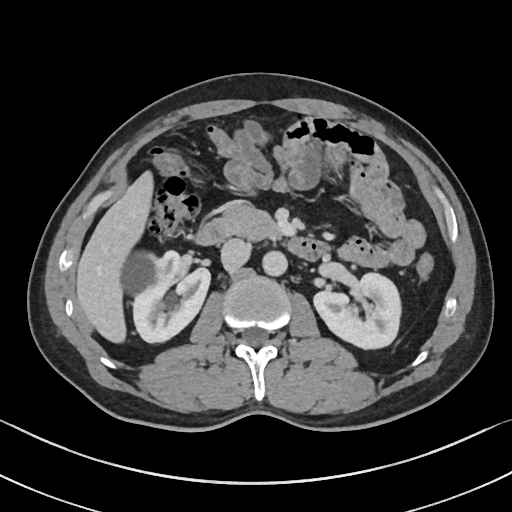
Abdominal CT · axial view · 512x512 px · scan has 15 labeled organs (counted over the whole 3D scan, not this slice; an organ is boxed only where this slice passes through it)
Boxes are (x1, y1, x2, y2) in pixels.
Organ bounding boxes:
- right kidney: (122, 250, 210, 342)
- left kidney: (314, 273, 401, 348)
- liver: (76, 171, 153, 343)
- aorta: (262, 250, 287, 276)
- inferior vena cava: (221, 238, 249, 270)
- pancreas: (217, 203, 280, 240)
- duodenum: (195, 220, 329, 260)